Computed tomography, abdomen — axial view — abdomen soft-tissue window — 512x512 px — acquired on SOMATOM Force
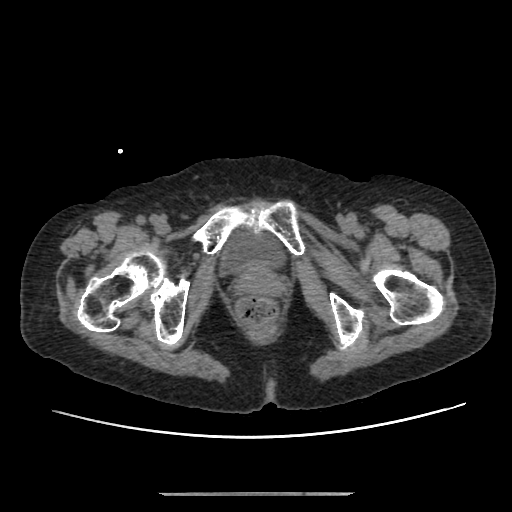 {"organs":{"bladder":[225,235,281,269]}}